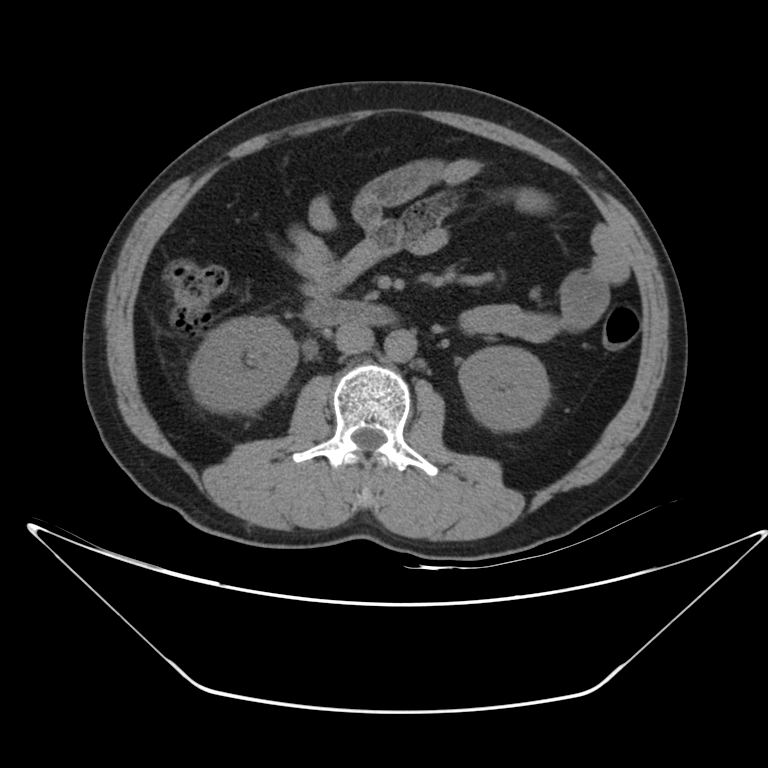 Abdominal CT — axial view — 45-year-old male patient — acquired on Brilliance16
Bounding boxes in pixels, one row per box: x1, y1 is the top-left corner and x2, y2 the bottom-right.
| organ | x1 | y1 | x2 | y2 |
|---|---|---|---|---|
| right kidney | 188 | 317 | 297 | 412 |
| left kidney | 459 | 346 | 550 | 430 |
| aorta | 384 | 330 | 416 | 362 |
| inferior vena cava | 335 | 323 | 373 | 354 |
| duodenum | 303 | 299 | 396 | 326 |